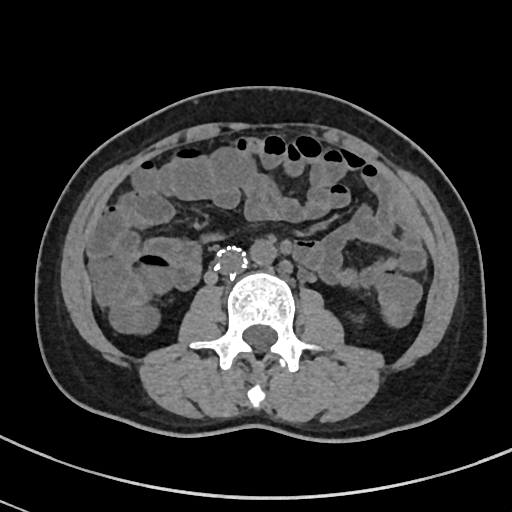
CT, abdomen/pelvis — axial view — soft-tissue window — scan has 15 labeled organs (a whole-scan count: organs this slice does not pass through have no box)
Organ boxes in pixel coordinates; each row gives the top-left (x1, y1) and bottom-right (x2, y2) corners.
| organ | x1 | y1 | x2 | y2 |
|---|---|---|---|---|
| aorta | 249 | 239 | 276 | 266 |
| inferior vena cava | 216 | 248 | 246 | 276 |